CT abdomen · axial plane, index 56 · scan has 15 labeled organs (counted over the whole 3D scan, not this slice; an organ is boxed only where this slice passes through it)
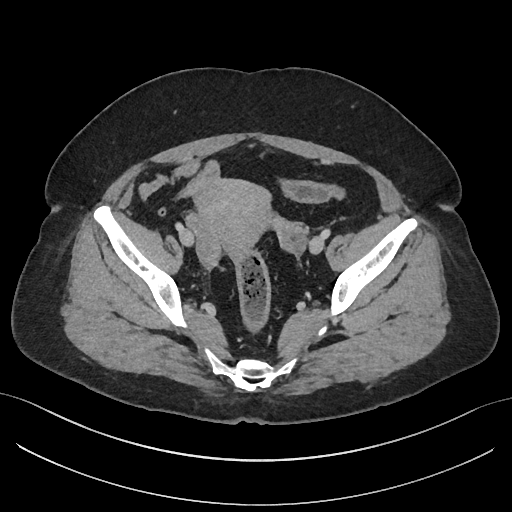
<organs><organ name="prostate/uterus" x1="195" y1="179" x2="271" y2="253"/></organs>